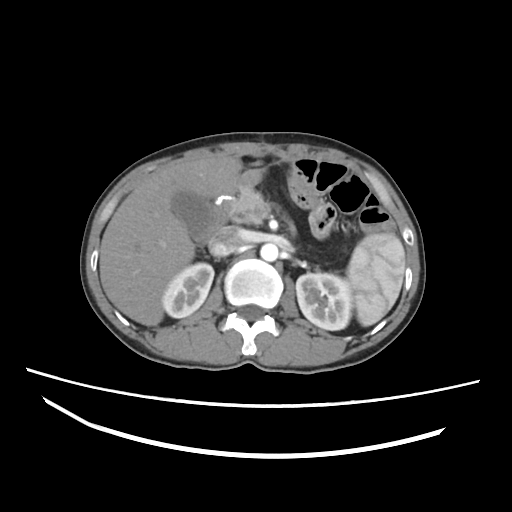 Abdominal CT; Axial slice 74/140
<organs><organ name="duodenum" x1="207" y1="195" x2="233" y2="239"/><organ name="pancreas" x1="229" y1="187" x2="263" y2="224"/><organ name="left kidney" x1="296" y1="273" x2="353" y2="330"/><organ name="right kidney" x1="162" y1="262" x2="214" y2="318"/><organ name="aorta" x1="260" y1="243" x2="278" y2="261"/><organ name="spleen" x1="347" y1="233" x2="405" y2="326"/><organ name="gall bladder" x1="171" y1="191" x2="212" y2="241"/><organ name="inferior vena cava" x1="209" y1="226" x2="244" y2="256"/><organ name="liver" x1="99" y1="154" x2="263" y2="325"/></organs>